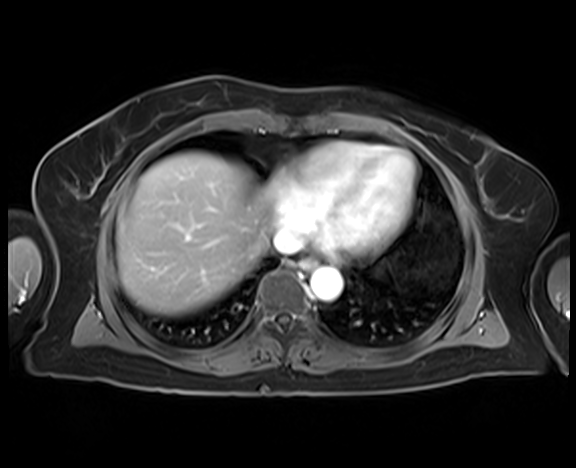

Magnetic resonance imaging, abdomen · axial plane, index 62 · 13 organs annotated in this scan (that count is for the whole scan; organs this slice misses have no box)
Bounding boxes as [x1, y1, x2, y2] in pixel coordinates.
Organ bounding boxes:
- esophagus: [299, 258, 315, 270]
- liver: [116, 152, 270, 315]
- aorta: [311, 267, 342, 300]
- inferior vena cava: [273, 229, 302, 253]